Abdominal CT. Axial slice 69/90. Aquilion ONE scanner. scan has 15 labeled organs (a whole-scan count: organs this slice does not pass through have no box)
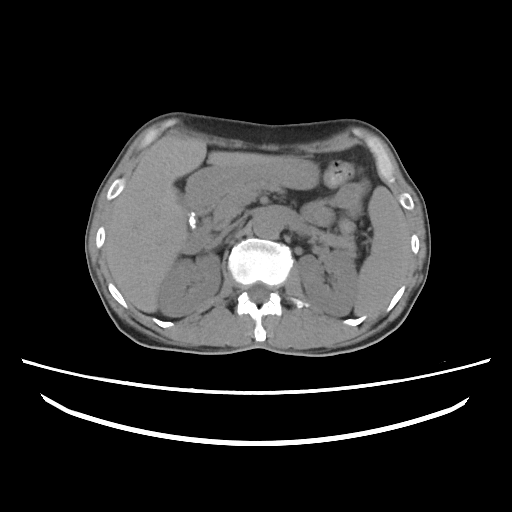 {"organs":{"spleen":[353,185,411,314],"right kidney":[158,251,219,316],"left kidney":[297,248,356,316],"gall bladder":[175,190,197,228],"liver":[104,135,280,312],"stomach":[186,160,317,213],"aorta":[253,212,282,239],"inferior vena cava":[220,214,247,235],"pancreas":[214,183,355,257],"duodenum":[179,221,221,254]}}